CT abdomen; axial view; 512x512 px; acquired on SOMATOM Force; 15 organs annotated in this scan (a whole-scan count: organs this slice does not pass through have no box)
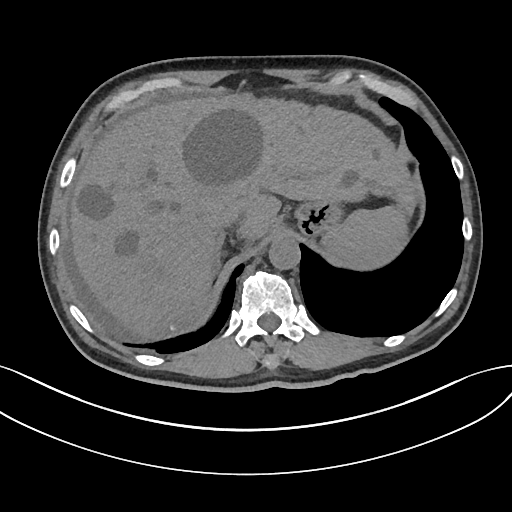

{"organs":{"inferior vena cava":[213,208,241,229],"right adrenal gland":[213,240,222,276],"aorta":[269,236,300,270],"stomach":[293,202,338,236],"spleen":[323,207,407,265],"liver":[70,95,414,337]}}